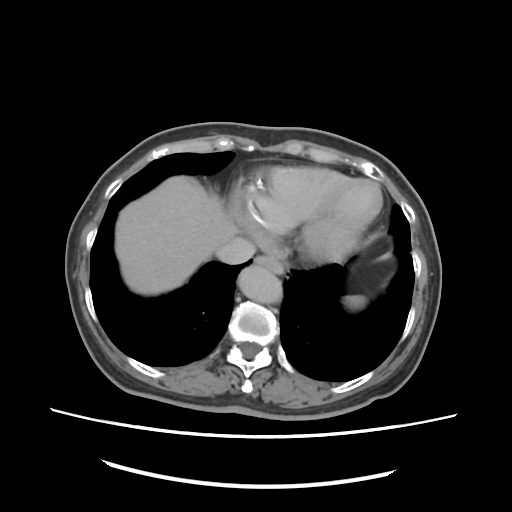

CT abdomen; axial view; 15 organs annotated in this scan (a whole-scan count: organs this slice does not pass through have no box)
{"organs":{"spleen":[345,296,363,308],"esophagus":[256,255,283,274],"liver":[115,175,351,295],"aorta":[237,267,281,302],"inferior vena cava":[216,238,254,264]}}